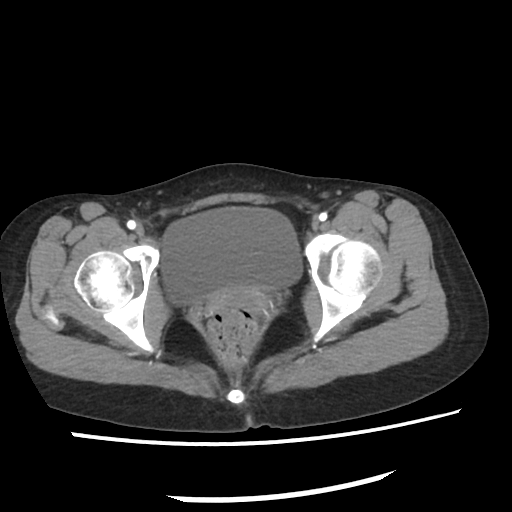

Abdominal CT — axial view — abdomen soft-tissue window — 34-year-old female patient — 15 organs annotated in this scan (that count is for the whole scan; organs this slice misses have no box)
{"organs":{"bladder":[162,209,299,303]}}